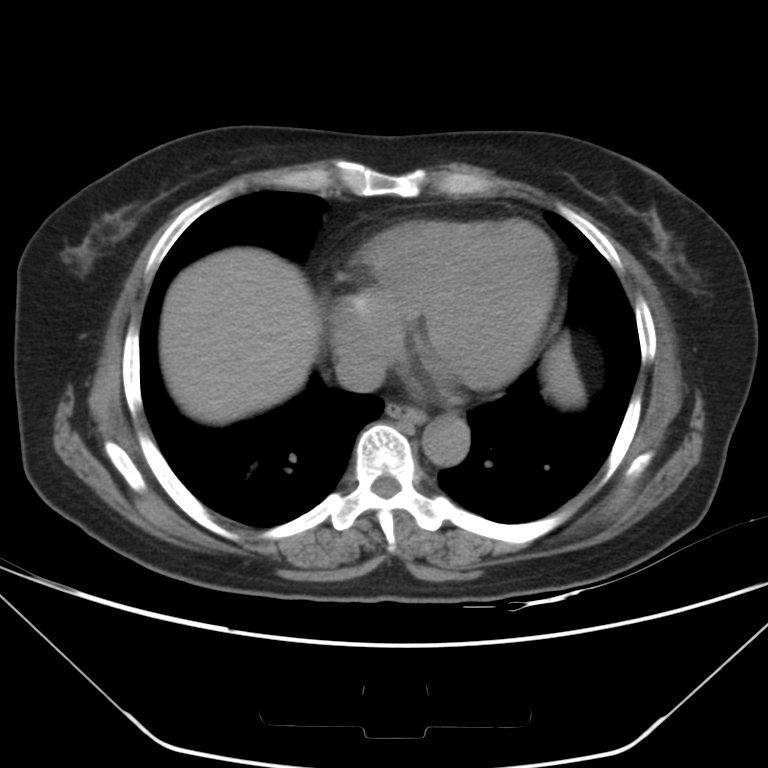 Abdominal CT; axial view; acquired on Brilliance16
{"organs":{"liver":[160,248,583,423],"esophagus":[386,403,427,423],"aorta":[421,414,469,466],"inferior vena cava":[335,344,387,392]}}